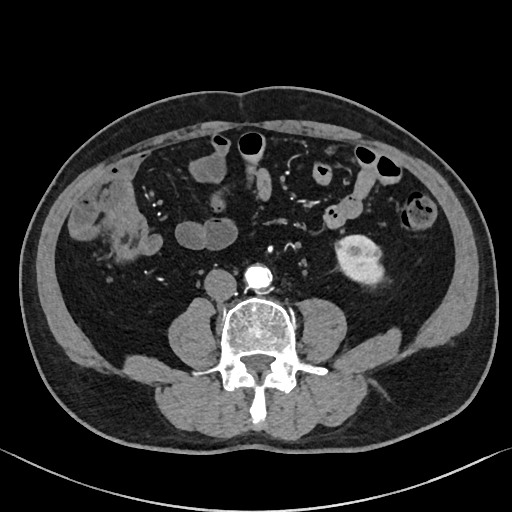 Abdominal CT · axial view · soft-tissue window · acquired on SOMATOM Force
{"organs":{"left kidney":[335,235,384,284],"aorta":[245,265,272,289],"inferior vena cava":[204,269,236,300]}}